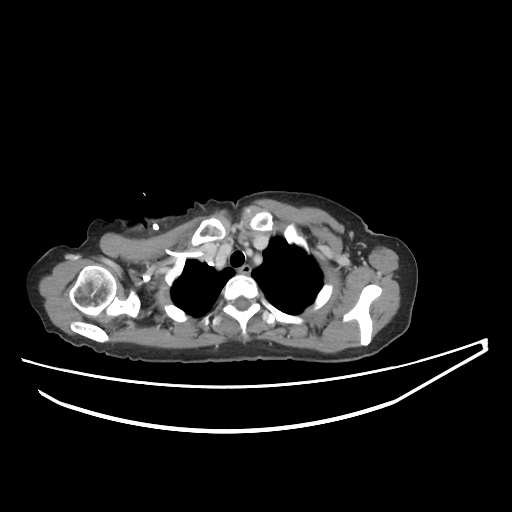

Abdominal CT reaching into the chest; this slice is in the chest · axial view · 512x512 px · 62-year-old female patient
At this level of the chest this dataset labels only the esophagus and the aorta, and each is boxed only where it is labeled; the heart and lungs are never labeled.
Boxes: x1 y1 x2 y2 (pixel coords, space-separated).
esophagus: 238 265 251 275